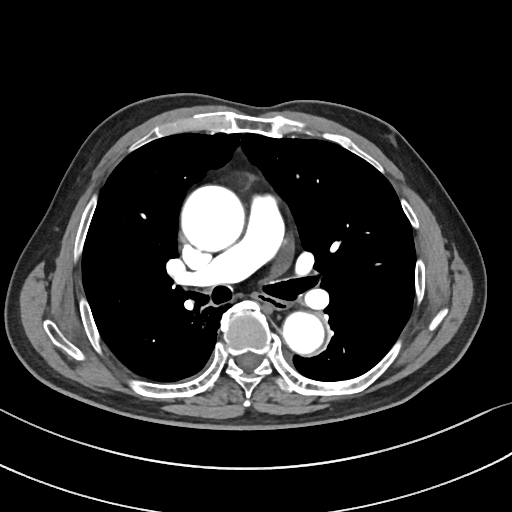 CT of the abdomen extending into the chest, slice through the chest; axial plane, index 242
At this level of the chest no structure but the esophagus and the aorta has a label in this dataset, and those two are boxed only where they are labeled.
One row per box, in pixels: columns x1 and y1 give the top-left corner, x2 and y2 the bottom-right.
| organ | x1 | y1 | x2 | y2 |
|---|---|---|---|---|
| esophagus | 257 | 294 | 287 | 309 |
| aorta | 181 | 185 | 244 | 251 |
| aorta | 282 | 312 | 324 | 354 |